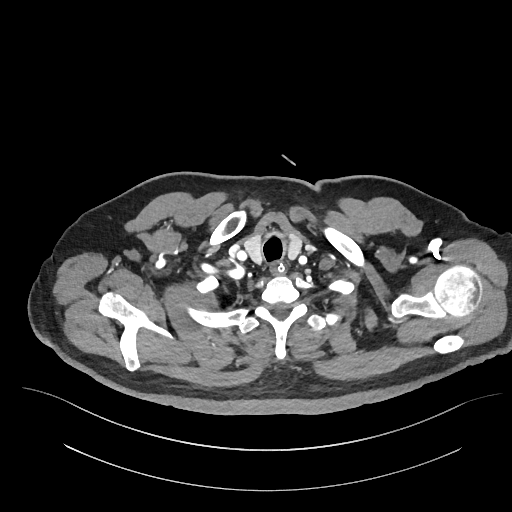

Chest-level CT slice, above the liver and spleen — Axial slice 321/333 — 512x512 px — SOMATOM Force scanner
At this level of the chest this dataset labels only the esophagus and the aorta, and each is boxed only where it is labeled; the heart and lungs are never labeled. Boxes are (x1, y1, x2, y2) in pixels. 1 labeled organ on this slice — esophagus at (271, 263, 286, 274).